Abdominal CT reaching into the chest; this slice is in the chest · Axial slice 126/133
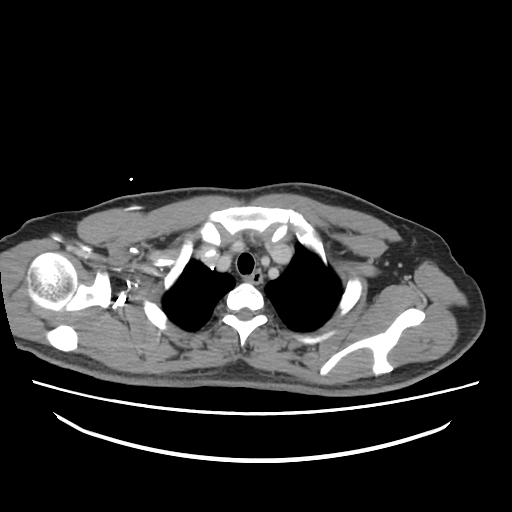

On a slice this high in the chest, this dataset labels only the esophagus and the aorta, and each is boxed only where it is labeled; the heart, lungs and other chest structures are not labeled.
One row per box, in pixels: columns x1 and y1 give the top-left corner, x2 and y2 the bottom-right.
| organ | x1 | y1 | x2 | y2 |
|---|---|---|---|---|
| esophagus | 245 | 268 | 261 | 283 |